Abdominal CT. axial view. soft-tissue window
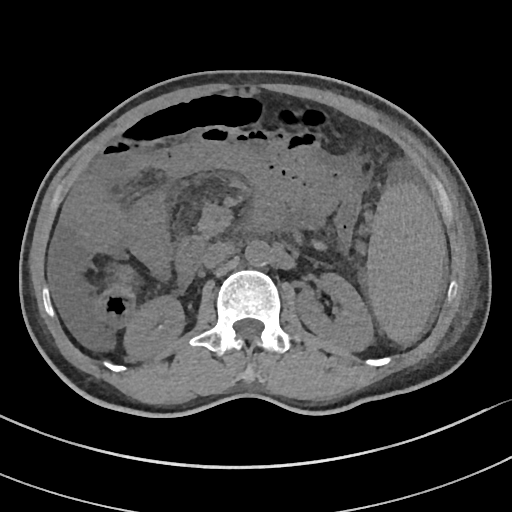

Boxes: x1:y1:x2:y2 in pixels.
Organ bounding boxes:
- left kidney: 297:272:372:350
- spleen: 367:180:446:341
- pancreas: 200:220:222:242
- aorta: 244:240:270:265
- duodenum: 177:235:204:285
- inferior vena cava: 202:242:235:268
- right kidney: 125:297:183:357